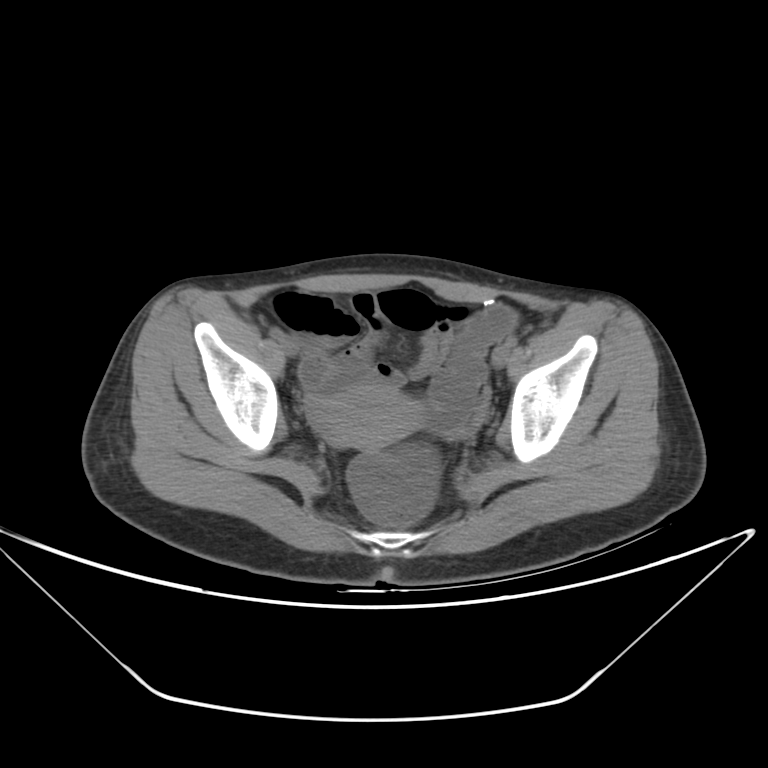

Abdominal CT · axial view · scan has 15 labeled organs (counted over the whole 3D scan, not this slice; an organ is boxed only where this slice passes through it)
{"organs":{"prostate/uterus":[318,384,420,449]}}